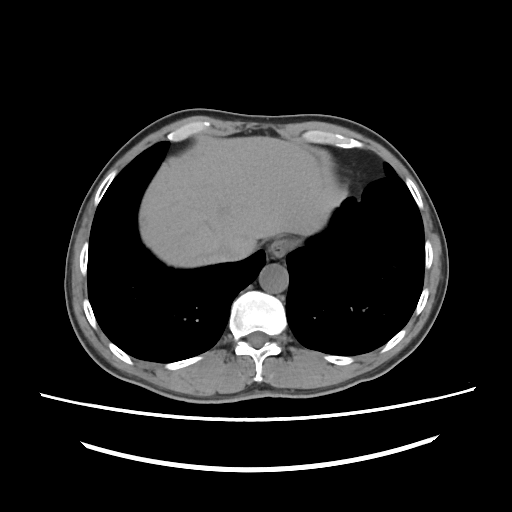 CT, abdomen/pelvis · axial view · 512x512 px · 15 organs annotated in this scan (that count is for the whole scan; organs this slice misses have no box)
Bounding boxes as [x1, y1, x2, y2] in pixel coordinates.
Organ bounding boxes:
- esophagus: [271, 238, 290, 256]
- liver: [140, 137, 333, 266]
- aorta: [258, 263, 288, 293]
- inferior vena cava: [217, 238, 239, 260]